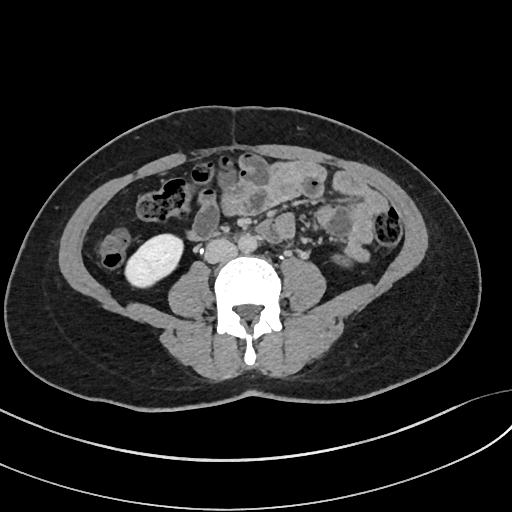 Abdominal CT; axial view; 512x512 px
{"organs":{"right kidney":[124,235,184,287],"left kidney":[335,256,349,267],"aorta":[238,234,257,252],"inferior vena cava":[204,238,237,263]}}